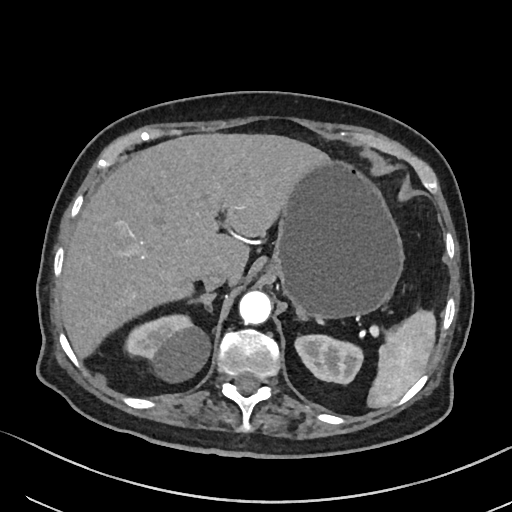

CT, abdomen/pelvis. axial view. W/L 400/40 HU. 512x512 px. scan has 15 labeled organs (a whole-scan count: organs this slice does not pass through have no box)
Coordinates as <box>x1,y1,x2,y2</box> in pixels. The annotated organs in this slice are: spleen at <box>368,310,436,407</box>, right kidney at <box>126,315,211,383</box>, left kidney at <box>293,333,363,384</box>, liver at <box>60,132,326,355</box>, stomach at <box>271,159,403,317</box>, aorta at <box>239,290,271,323</box>, inferior vena cava at <box>201,267,229,290</box>, right adrenal gland at <box>196,292,216,310</box>, left adrenal gland at <box>295,309,307,319</box>.